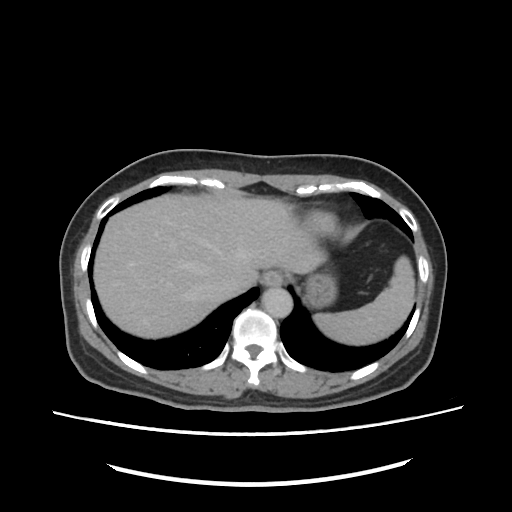

CT abdomen — axial view — soft-tissue window (W 400 / L 40) — 512x512 px — acquired on Aquilion ONE — 15 organs annotated in this scan (counted over the whole 3D scan, not this slice; an organ is boxed only where this slice passes through it)
Bounding boxes as [x1, y1, x2, y2] in pixel coordinates.
Organ bounding boxes:
- stomach: [306, 273, 338, 306]
- spleen: [313, 255, 415, 344]
- inferior vena cava: [207, 271, 252, 297]
- aorta: [260, 288, 292, 318]
- liver: [94, 192, 325, 339]
- esophagus: [260, 271, 282, 287]